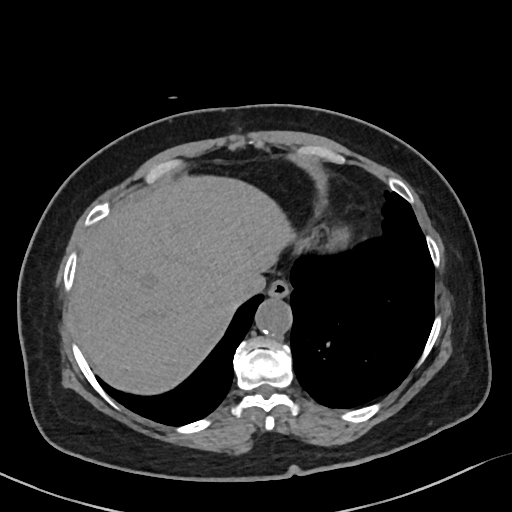

Computed tomography, abdomen — axial view — 512x512 px — acquired on SOMATOM Force — scan has 15 labeled organs (that count is for the whole scan; organs this slice misses have no box)
Boxes: x1 y1 x2 y2 (pixel coords, space-separated).
esophagus: 268 281 289 297
liver: 71 176 292 395
aorta: 255 298 291 335
inferior vena cava: 234 271 265 300